CT, abdomen/pelvis — axial view — W/L 400/40 HU
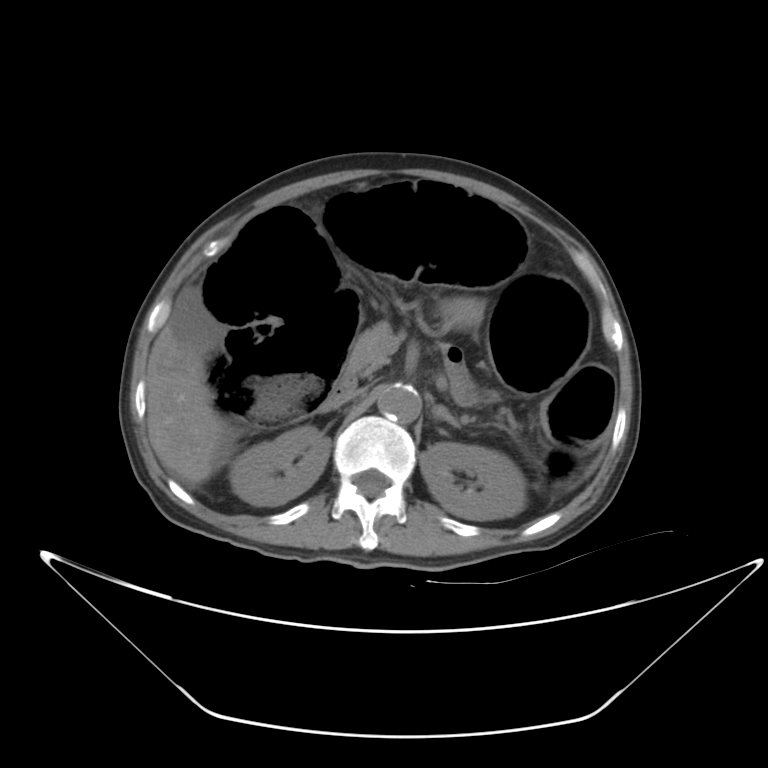 <organs><organ name="right kidney" x1="229" y1="426" x2="330" y2="505"/><organ name="left kidney" x1="420" y1="442" x2="526" y2="520"/><organ name="liver" x1="147" y1="324" x2="229" y2="485"/><organ name="stomach" x1="439" y1="297" x2="481" y2="328"/><organ name="aorta" x1="377" y1="381" x2="421" y2="422"/><organ name="inferior vena cava" x1="324" y1="391" x2="355" y2="409"/><organ name="pancreas" x1="340" y1="322" x2="391" y2="385"/><organ name="left adrenal gland" x1="432" y1="405" x2="461" y2="427"/><organ name="duodenum" x1="331" y1="378" x2="354" y2="396"/></organs>